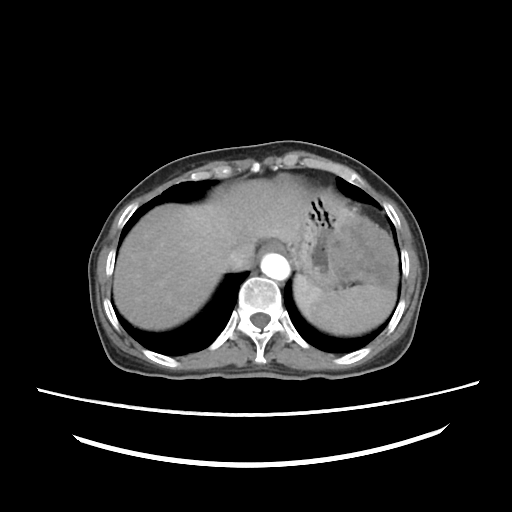

Abdominal CT — axial view — abdomen soft-tissue window — 15 organs annotated in this scan (counted over the whole 3D scan, not this slice; an organ is boxed only where this slice passes through it)
Boxes: x1 y1 x2 y2 (pixel coords, space-separated).
aorta: 261 253 289 279
inferior vena cava: 220 242 254 271
esophagus: 261 242 283 252
stomach: 287 191 398 291
liver: 113 178 311 329
spleen: 294 274 396 335